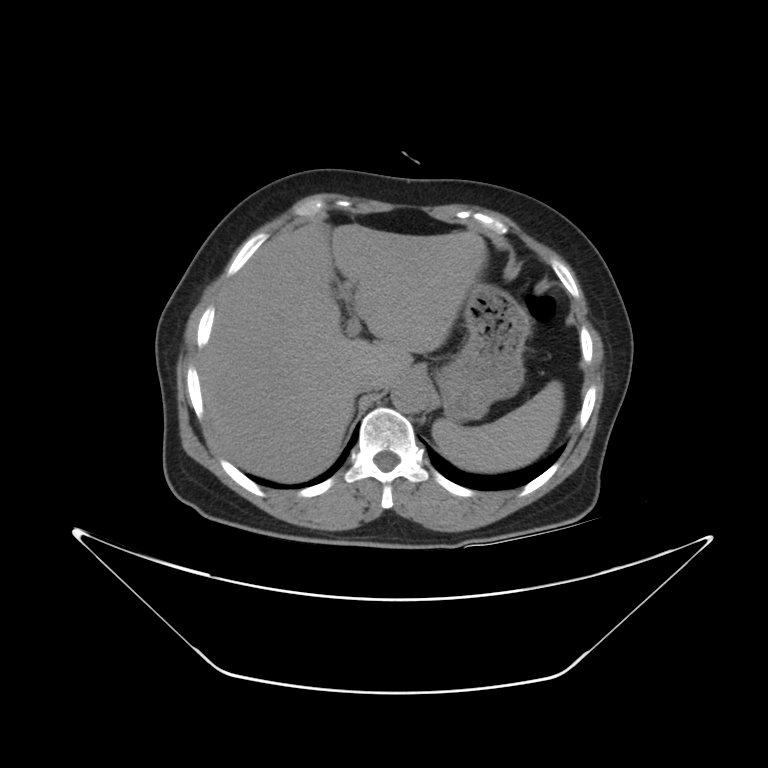
CT, abdomen/pelvis. axial view. Brilliance16 scanner. scan has 15 labeled organs (a whole-scan count: organs this slice does not pass through have no box)
{"organs":{"spleen":[432,379,563,470],"liver":[200,220,487,482],"stomach":[431,284,526,422],"aorta":[389,376,432,413],"inferior vena cava":[354,376,382,392]}}